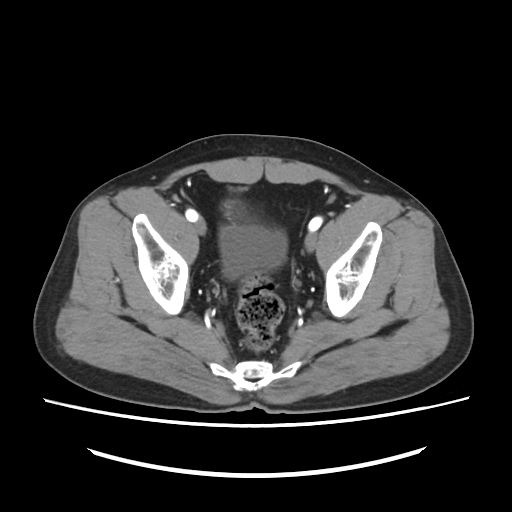
CT abdomen. axial view. 46-year-old male patient. acquired on Aquilion ONE. 15 organs annotated in this scan (counted over the whole 3D scan, not this slice; an organ is boxed only where this slice passes through it)
Bounding boxes as [x1, y1, x2, y2] in pixel coordinates. Labeled organs on this slice: bladder at [219, 224, 287, 278].